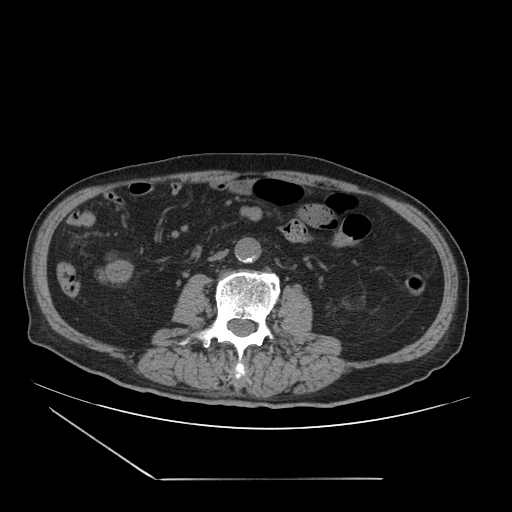
Abdominal CT; axial plane, index 101; soft-tissue window (W 400 / L 40); 512x512 px
Each box given as x1,y1,x2,y2.
Organ bounding boxes:
- aorta: x1=234, y1=238, x2=260, y2=262
- inferior vena cava: x1=208, y1=250, x2=227, y2=262